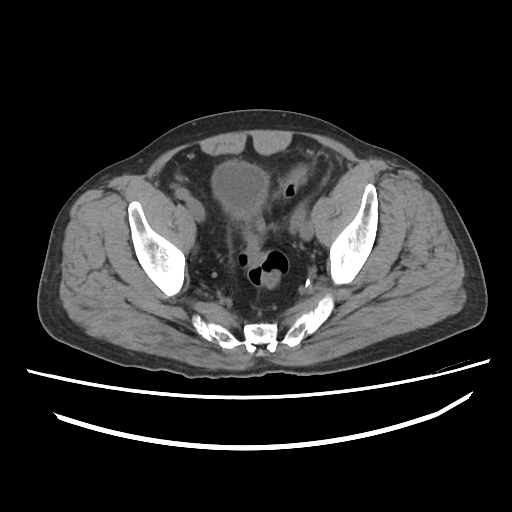 Abdominal CT. axial view
{"organs":{"bladder":[212,161,268,218]}}